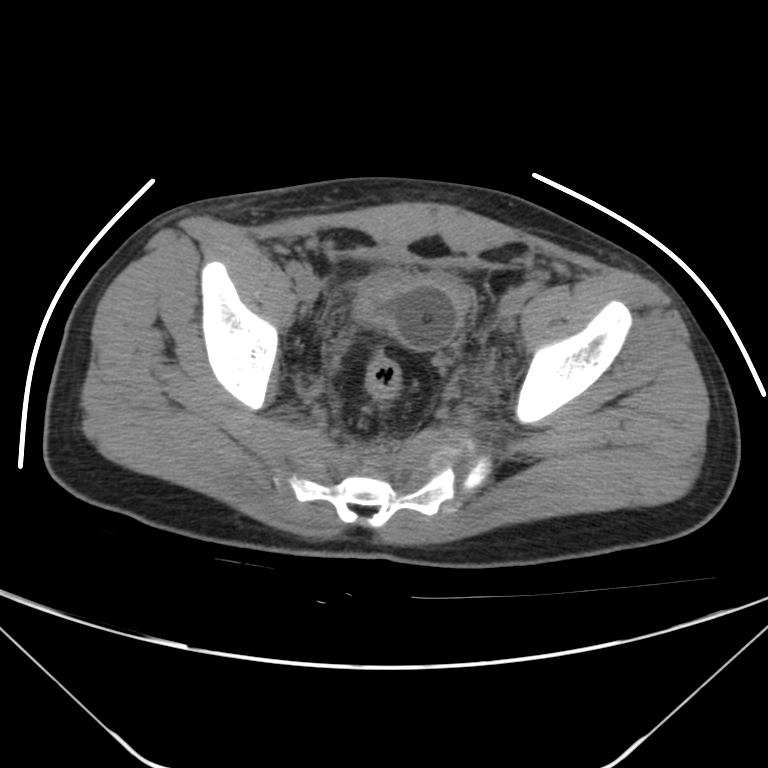

Computed tomography, abdomen · axial view
Bounding boxes as [x1, y1, x2, y2] in pixel coordinates.
Organ bounding boxes:
- bladder: [354, 273, 474, 351]